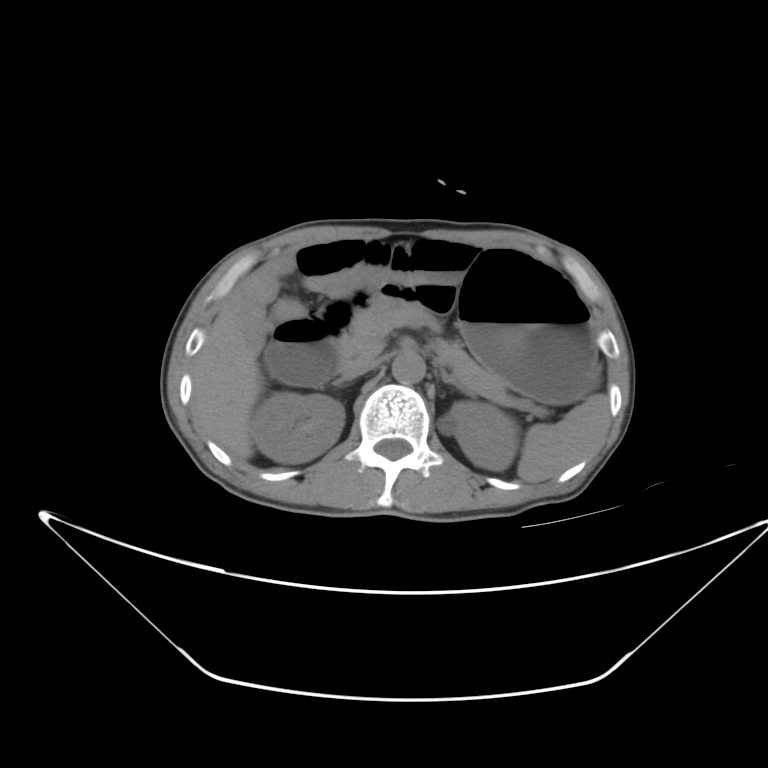

Computed tomography, abdomen; axial plane, index 63; abdomen soft-tissue window; 768x768 px
One row per box, in pixels: columns x1 and y1 give the top-left corner, x2 and y2 the bottom-right.
| organ | x1 | y1 | x2 | y2 |
|---|---|---|---|---|
| spleen | 516 | 392 | 612 | 482 |
| right kidney | 252 | 392 | 344 | 462 |
| left kidney | 437 | 400 | 518 | 469 |
| liver | 195 | 300 | 261 | 461 |
| stomach | 359 | 252 | 603 | 401 |
| aorta | 394 | 353 | 425 | 381 |
| inferior vena cava | 342 | 359 | 381 | 380 |
| pancreas | 334 | 307 | 508 | 393 |
| right adrenal gland | 336 | 382 | 337 | 384 |
| left adrenal gland | 440 | 368 | 475 | 400 |
| duodenum | 266 | 290 | 369 | 384 |